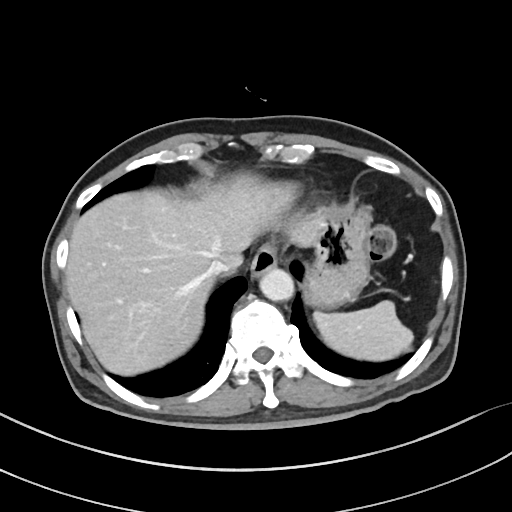

CT, abdomen/pelvis. axial plane, index 77. 15 organs annotated in this scan (a whole-scan count: organs this slice does not pass through have no box)
Organ boxes in pixel coordinates; each row gives the top-left (x1, y1) and bottom-right (x2, y2) corners.
| organ | x1 | y1 | x2 | y2 |
|---|---|---|---|---|
| spleen | 313 | 300 | 413 | 360 |
| esophagus | 250 | 244 | 278 | 277 |
| liver | 66 | 175 | 316 | 375 |
| stomach | 305 | 206 | 370 | 307 |
| aorta | 259 | 267 | 294 | 300 |
| inferior vena cava | 208 | 259 | 234 | 276 |